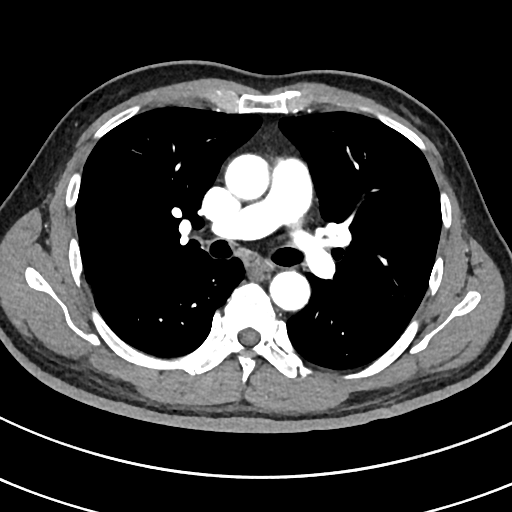 CT of the abdomen extending into the chest, slice through the chest · axial view · soft-tissue window, W/L 400/40
On a slice this high in the chest, this dataset labels only the esophagus and the aorta, and each is boxed only where it is labeled; the heart, lungs and other chest structures are not labeled.
Boxes: x1:y1:x2:y2 in pixels.
esophagus: 249:259:272:274
aorta: 225:154:269:200
aorta: 270:271:310:310